Computed tomography, abdomen; axial view; 63-year-old female patient
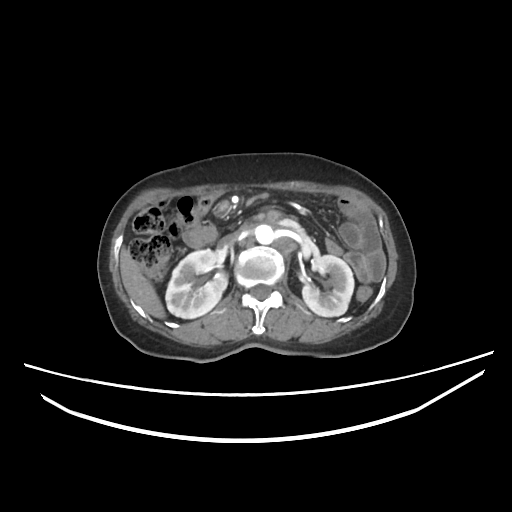
Boxes: x1 y1 x2 y2 (pixel coords, space-separated). The annotated organs in this slice are: aorta at 256 224 273 244, duodenum at 180 220 216 246, inferior vena cava at 216 231 241 248, right kidney at 165 249 227 318, liver at 119 247 165 318, left kidney at 302 254 353 316.